Abdominal CT; axial view; soft-tissue window; acquired on Brilliance16
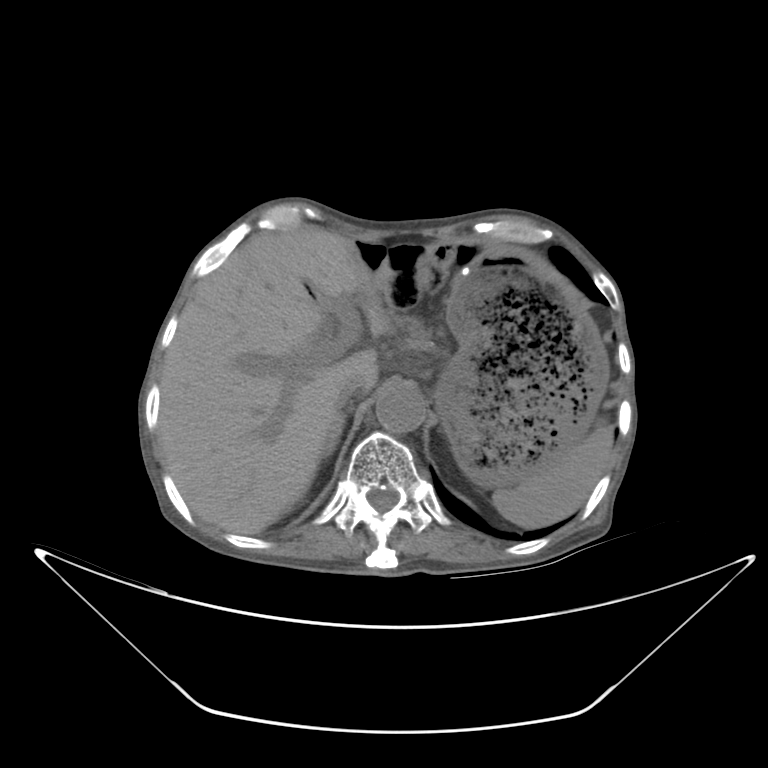 Box edges are left/top/right/bottom in pixels.
Organ bounding boxes:
- aorta: left=377, top=386, right=424, bottom=432
- right adrenal gland: left=319, top=414, right=347, bottom=462
- spleen: left=491, top=424, right=614, bottom=527
- stomach: left=434, top=244, right=607, bottom=486
- liver: left=160, top=228, right=376, bottom=535
- pancreas: left=390, top=311, right=434, bottom=345
- inferior vena cava: left=331, top=374, right=362, bottom=412